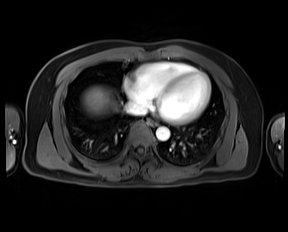
Abdominal MRI. Axial slice 65/72. percentile-normalized. 13 organs annotated in this scan (a whole-scan count: organs this slice does not pass through have no box)
<organs><organ name="inferior vena cava" x1="125" y1="101" x2="147" y2="115"/><organ name="esophagus" x1="148" y1="119" x2="157" y2="126"/><organ name="liver" x1="82" y1="86" x2="118" y2="115"/><organ name="aorta" x1="156" y1="127" x2="169" y2="140"/></organs>